Lower-chest slice from an abdominal CT, just above the liver and spleen · axial view
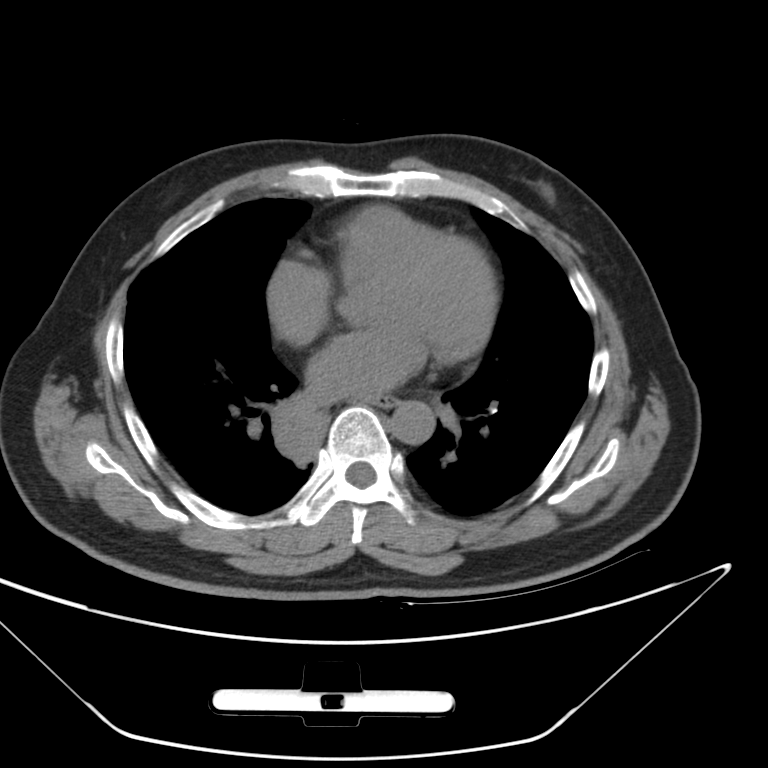 No part of the heart or lungs is labeled in this dataset, so neither has a box here.
<organs><organ name="esophagus" x1="354" y1="394" x2="401" y2="410"/><organ name="aorta" x1="394" y1="402" x2="434" y2="444"/></organs>